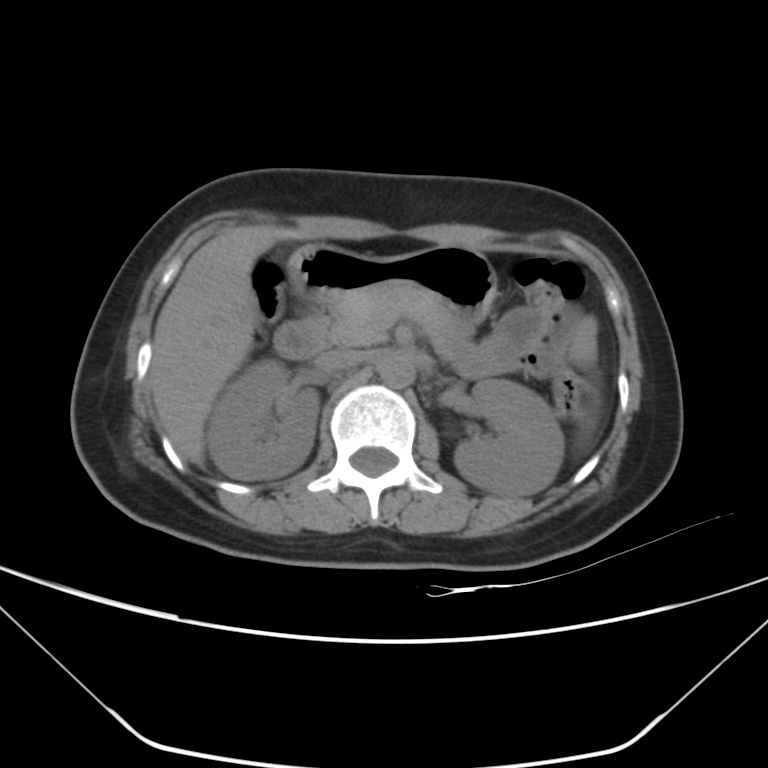
Abdominal CT — axial plane, index 59 — abdomen soft-tissue window — 768x768 px — scan has 15 labeled organs (counted over the whole 3D scan, not this slice; an organ is boxed only where this slice passes through it)
Boxes: x1 y1 x2 y2 (pixel coords, space-separated).
Organ bounding boxes:
- spleen: 579 416 594 442
- right kidney: 206 359 319 479
- left kidney: 453 379 562 496
- liver: 149 225 300 464
- stomach: 289 244 496 324
- aorta: 379 355 413 388
- inferior vena cava: 318 350 366 373
- pancreas: 301 284 451 346
- duodenum: 274 313 324 359